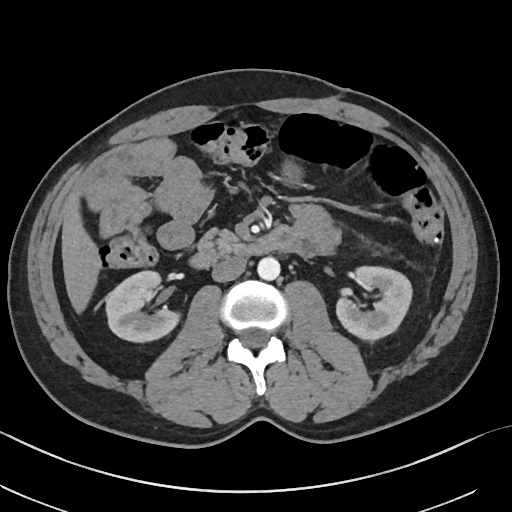

Abdominal CT; axial view; abdomen soft-tissue window; 512x512 px
{"organs":{"duodenum":[189,230,293,268],"right kidney":[105,270,179,342],"pancreas":[197,229,243,260],"aorta":[257,257,280,280],"liver":[61,198,100,313],"inferior vena cava":[212,256,246,282],"stomach":[282,161,301,182],"left kidney":[336,266,411,340]}}